CT, abdomen/pelvis. axial plane, index 19. 768x768 px. Brilliance16 scanner. scan has 14 labeled organs (that count is for the whole scan; organs this slice misses have no box)
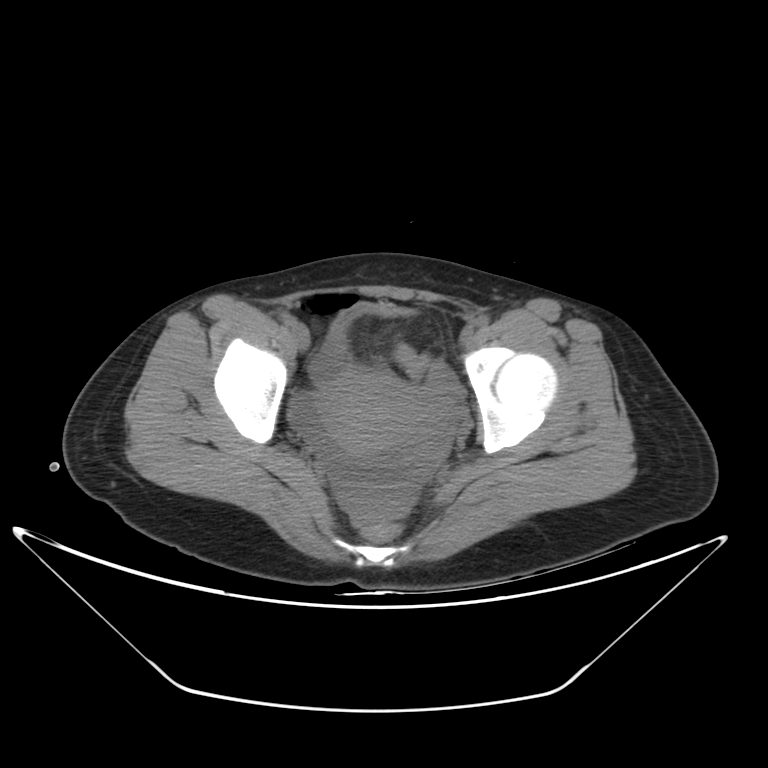
Boxes: x1 y1 x2 y2 (pixel coords, space-separated). Labeled organs on this slice: bladder at 329 304 411 349, prostate/uterus at 320 373 431 448.